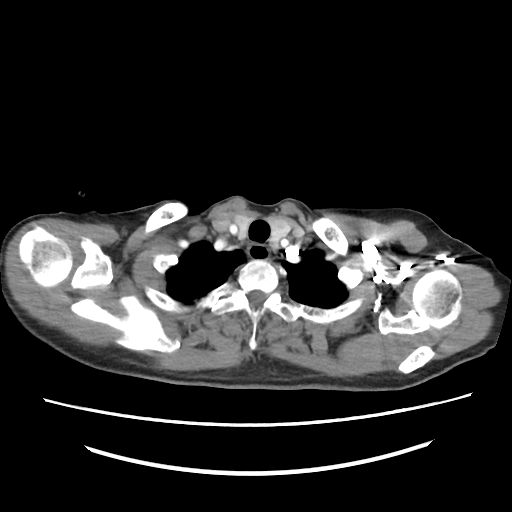
CT of the abdomen extending into the chest, slice through the chest · axial view · 61-year-old male patient
At this level of the chest this dataset labels only the esophagus and the aorta, and each is boxed only where it is labeled; the heart and lungs are never labeled.
Boxes are (x1, y1, x2, y2) in pixels.
Organ bounding boxes:
- esophagus: (247, 245, 269, 261)